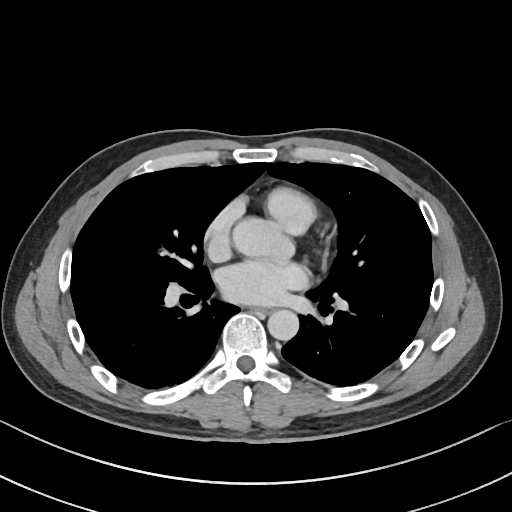

Chest-level slice from an abdominal CT that extends up into the chest; Axial slice 216/291
On a slice this high in the chest, this dataset labels only the esophagus and the aorta, and each is boxed only where it is labeled; the heart, lungs and other chest structures are not labeled.
Box edges are left/top/right/bottom in pixels.
Organ bounding boxes:
- esophagus: left=254, top=306, right=270, bottom=314
- aorta: left=268, top=309, right=299, bottom=340